Computed tomography, abdomen — Axial slice 194/303 — 15 organs annotated in this scan (counted over the whole 3D scan, not this slice; an organ is boxed only where this slice passes through it)
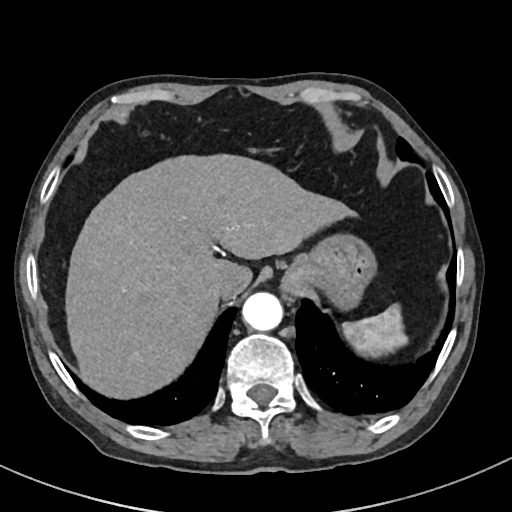

Bounding boxes as [x1, y1, x2, y2] in pixel coordinates.
spleen: [342, 306, 407, 353]
esophagus: [282, 274, 302, 298]
liver: [66, 155, 354, 397]
stomach: [284, 237, 373, 305]
aorta: [242, 292, 282, 330]
inferior vena cava: [210, 278, 226, 296]